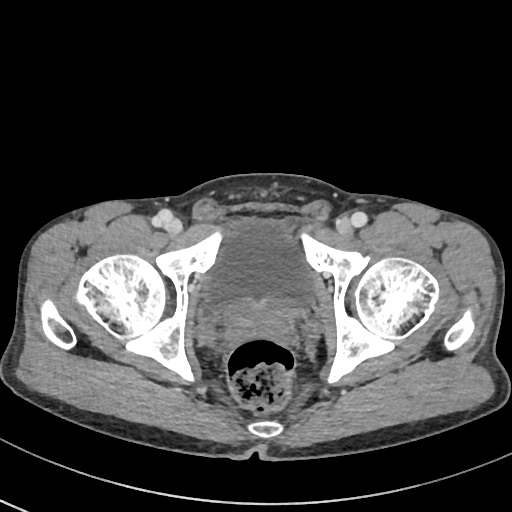
CT abdomen; axial view; soft-tissue window (W 400 / L 40); 15 organs annotated in this scan (that count is for the whole scan; organs this slice misses have no box)
Box edges are left/top/right/bottom in pixels. The annotated organs in this slice are: bladder at left=204, top=219, right=313, bottom=312, prostate/uterus at left=228, top=299, right=292, bottom=337.